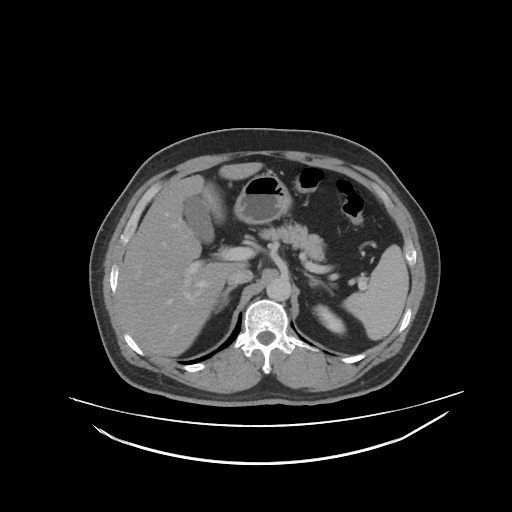 CT, abdomen/pelvis. axial view. 512x512 px. 45-year-old male patient
{"organs":{"left adrenal gland":[305,272,336,301],"aorta":[266,278,290,300],"left kidney":[314,304,344,333],"stomach":[234,171,290,223],"right adrenal gland":[219,285,236,310],"liver":[117,162,262,357],"pancreas":[259,222,324,261],"gall bladder":[183,195,214,243],"spleen":[341,243,408,341],"inferior vena cava":[230,268,253,284]}}